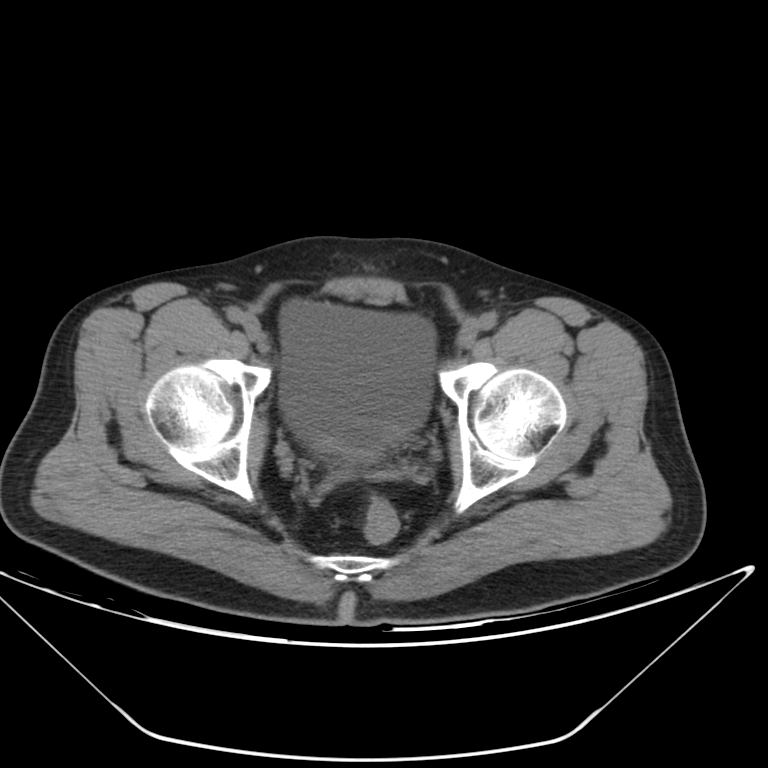
CT, abdomen/pelvis · axial view · abdomen soft-tissue window · 768x768 px
Coordinates as <box>x1,y1,x2,y2</box> in pixels.
Organ bounding boxes:
- bladder: <box>279,300,435,458</box>